CT, abdomen/pelvis; Axial slice 145/187
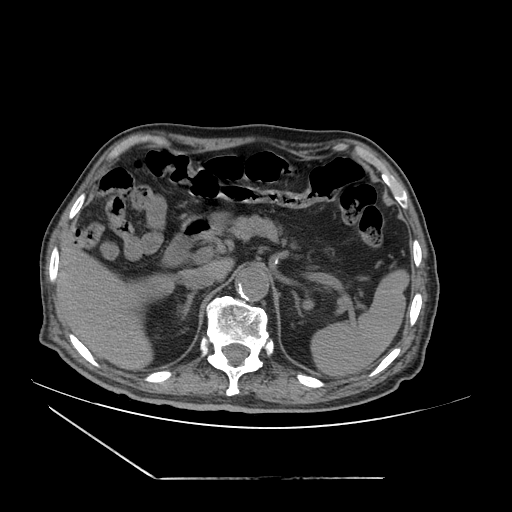
One row per box, in pixels: columns x1 and y1 give the top-left corner, x2 and y2 the bottom-right.
| organ | x1 | y1 | x2 | y2 |
|---|---|---|---|---|
| spleen | 310 | 269 | 409 | 376 |
| liver | 57 | 246 | 233 | 370 |
| stomach | 210 | 212 | 228 | 229 |
| aorta | 235 | 266 | 269 | 301 |
| inferior vena cava | 182 | 272 | 214 | 290 |
| pancreas | 220 | 215 | 279 | 240 |
| right adrenal gland | 181 | 291 | 196 | 319 |
| left adrenal gland | 293 | 292 | 301 | 314 |
| duodenum | 162 | 215 | 219 | 266 |